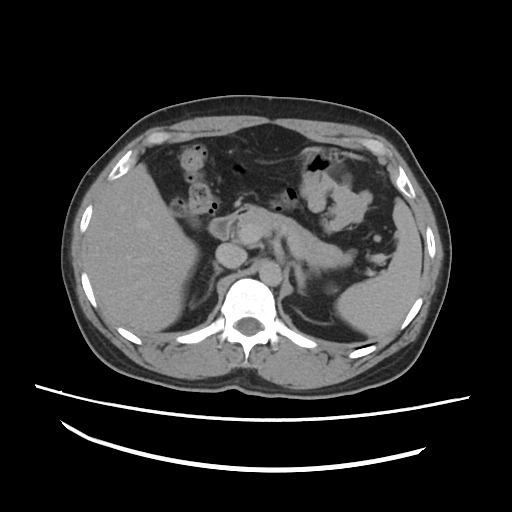

CT abdomen; axial view; 512x512 px
Coordinates as <box>x1,y1,x2,y2</box> in pixels.
spleen: <box>335,198,422,337</box>
liver: <box>86,161,197,331</box>
stomach: <box>303,149,343,177</box>
aorta: <box>258,259,281,285</box>
inferior vena cava: <box>216,244,246,268</box>
pancreas: <box>228,204,355,266</box>
right adrenal gland: <box>190,261,223,309</box>
left adrenal gland: <box>291,261,305,293</box>
duodenum: <box>210,204,250,239</box>